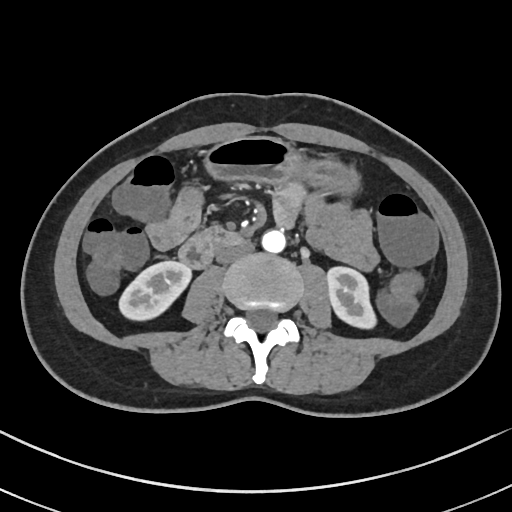 Abdominal CT; axial view; soft-tissue window; 512x512 px; 15 organs annotated in this scan (a whole-scan count: organs this slice does not pass through have no box)
<organs><organ name="right kidney" x1="119" y1="260" x2="191" y2="320"/><organ name="left kidney" x1="327" y1="266" x2="376" y2="328"/><organ name="stomach" x1="204" y1="136" x2="358" y2="193"/><organ name="aorta" x1="261" y1="230" x2="285" y2="252"/><organ name="inferior vena cava" x1="216" y1="241" x2="254" y2="264"/><organ name="duodenum" x1="178" y1="227" x2="243" y2="268"/></organs>